CT of the abdomen extending into the chest, slice through the chest; axial view; soft-tissue window, W/L 400/40; 512x512 px; acquired on SOMATOM Force; 15 organs annotated in this scan (that count is for the whole scan; organs this slice misses have no box)
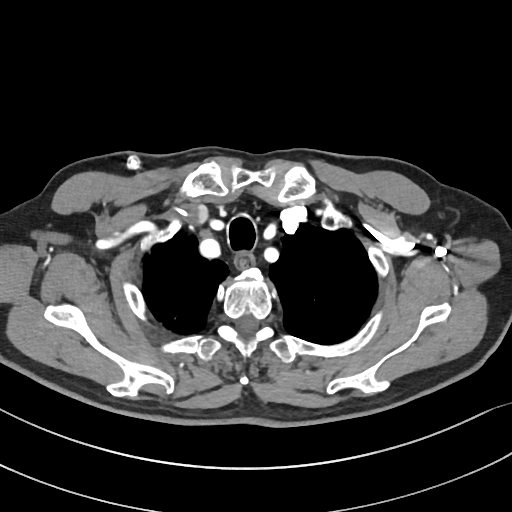 At this level of the chest this dataset labels only the esophagus and the aorta, and each is boxed only where it is labeled; the heart and lungs are never labeled.
<organs><organ name="esophagus" x1="236" y1="251" x2="254" y2="268"/></organs>